CT, abdomen/pelvis. axial plane, index 100. 512x512 px. 15 organs annotated in this scan (counted over the whole 3D scan, not this slice; an organ is boxed only where this slice passes through it)
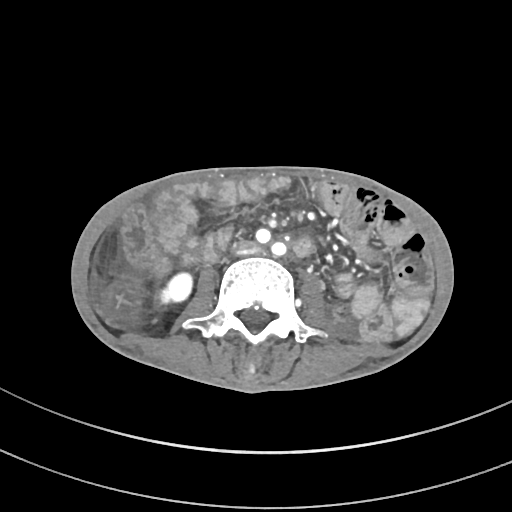

Each box given as x1,y1,x2,y2.
Organ bounding boxes:
- inferior vena cava: x1=231, y1=238, x2=257, y2=254
- right kidney: x1=160, y1=269, x2=194, y2=305